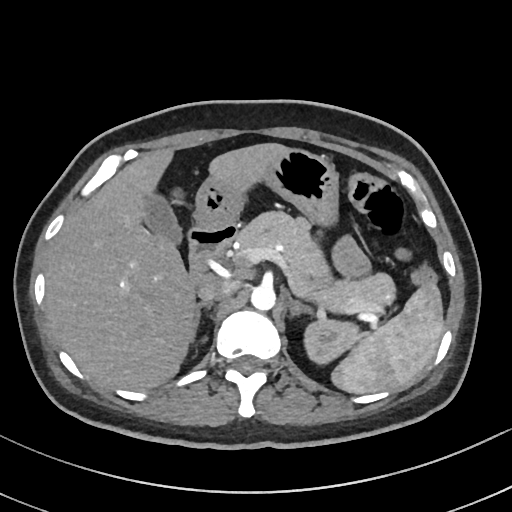
Computed tomography, abdomen · axial view · acquired on SOMATOM Force
{"organs":{"spleen":[329,283,443,394],"left kidney":[304,320,360,362],"gall bladder":[146,196,182,245],"liver":[45,143,293,391],"stomach":[193,150,339,226],"aorta":[251,284,276,311],"inferior vena cava":[196,277,234,304],"pancreas":[238,213,392,314],"right adrenal gland":[192,304,210,345],"left adrenal gland":[288,298,311,315],"duodenum":[186,222,238,273]}}